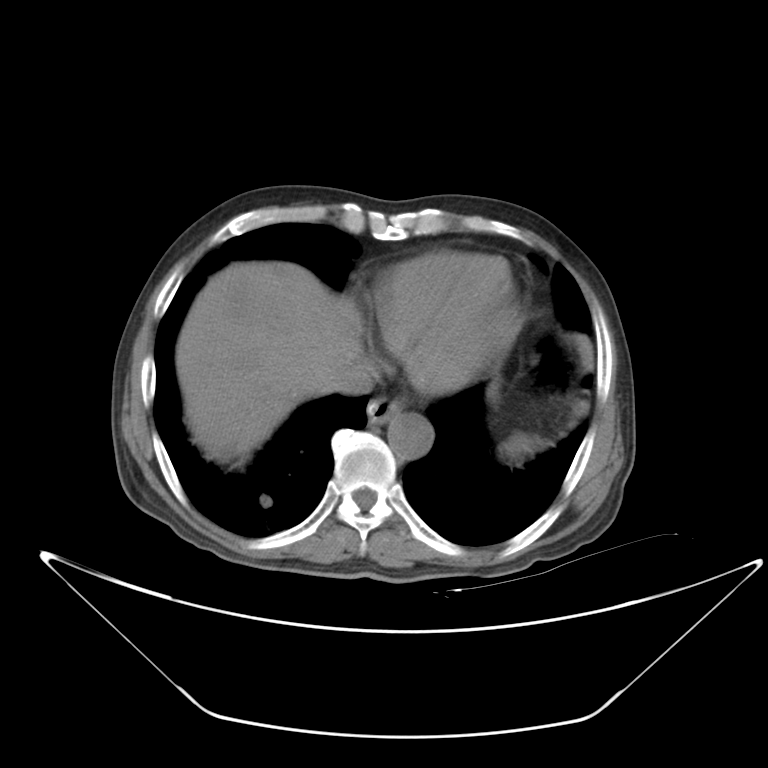

CT, abdomen/pelvis — axial view — soft-tissue window (W 400 / L 40) — acquired on Brilliance16
Each box given as x1,y1,x2,y2.
spleen: x1=499, y1=433, x2=542, y2=459
esophagus: x1=366, y1=396, x2=404, y2=423
liver: x1=175, y1=261, x2=361, y2=463
aorta: x1=387, y1=411, x2=433, y2=459
inferior vena cava: x1=328, y1=357, x2=378, y2=394